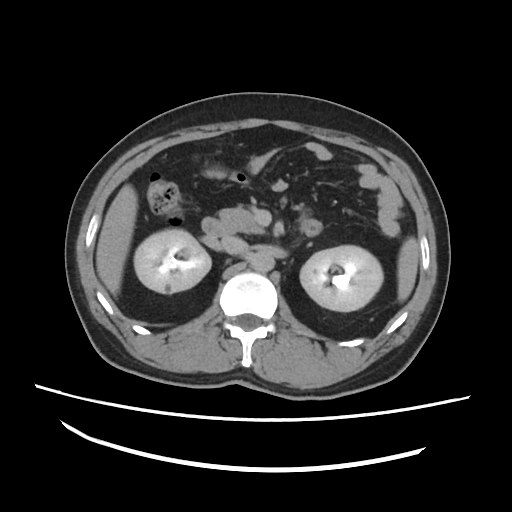 CT, abdomen/pelvis; axial plane, index 67; W/L 400/40 HU; 512x512 px; acquired on Aquilion ONE
Boxes: x1:y1:x2:y2 in pixels. Labeled organs on this slice: duodenum at 202:218:226:237, left kidney at 301:246:382:310, liver at 95:187:137:293, pancreas at 218:207:263:233, inferior vena cava at 220:234:248:254, right kidney at 134:229:211:293, aorta at 253:252:275:272, spleen at 397:236:419:302.